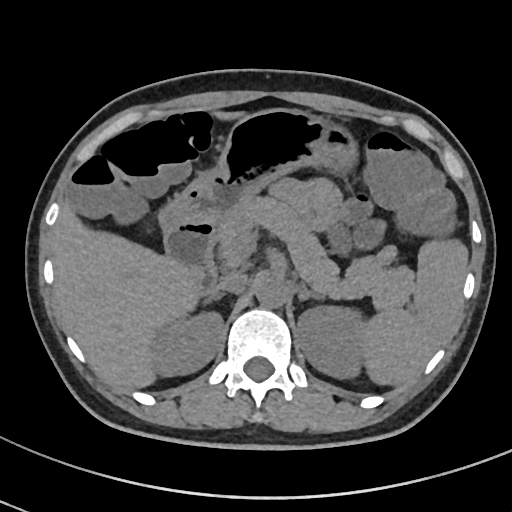

CT, abdomen/pelvis. axial view. 512x512 px. acquired on SOMATOM Force
{"organs":{"spleen":[361,240,468,386],"right kidney":[150,314,223,375],"left kidney":[298,304,361,377],"liver":[52,110,248,389],"stomach":[158,108,354,229],"aorta":[255,277,288,309],"inferior vena cava":[211,274,247,293],"pancreas":[218,197,414,310],"right adrenal gland":[202,294,225,303],"left adrenal gland":[296,284,322,302],"duodenum":[165,221,215,293]}}